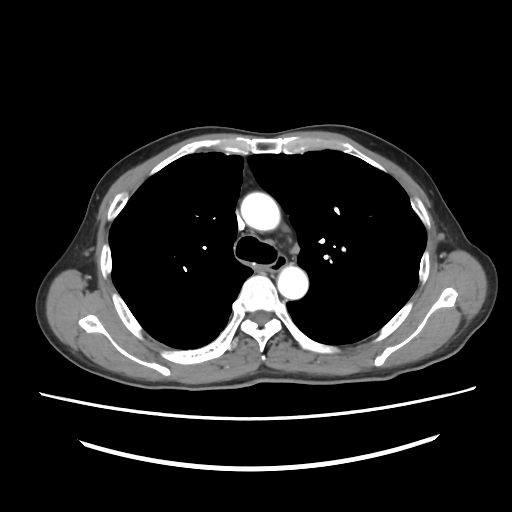

Chest-level slice from an abdominal CT that extends up into the chest — axial view
At this level of the chest this dataset labels only the esophagus and the aorta, and each is boxed only where it is labeled; the heart and lungs are never labeled. Each box given as x1,y1,x2,y2. 2 labeled organs on this slice — esophagus at x1=266, y1=255, x2=287, y2=271; aorta at x1=240, y1=192, x2=280, y2=230; aorta at x1=277, y1=266, x2=308, y2=299.